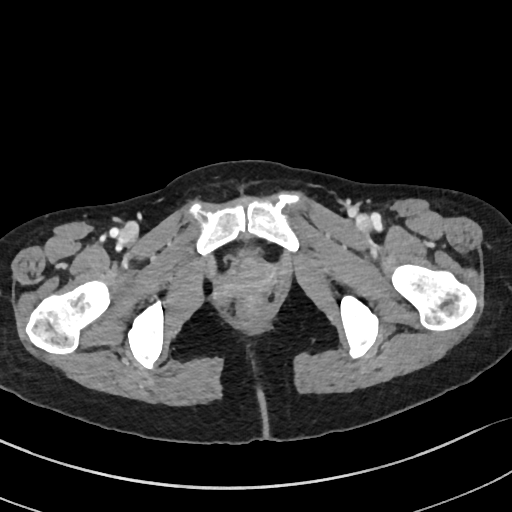 Computed tomography, abdomen; axial view; soft-tissue window; 512x512 px
Coordinates as <box>x1,y1,x2,y2</box> in pixels.
bladder: <box>240,246,257,256</box>